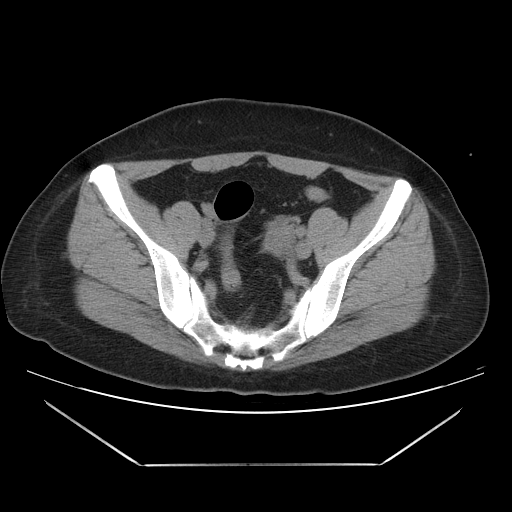

CT abdomen. axial view. 512x512 px
Bounding boxes as [x1, y1, x2, y2] in pixel coordinates. 1 labeled organ on this slice — prostate/uterus at [265, 224, 295, 253].